CT, abdomen/pelvis — Axial slice 65/87
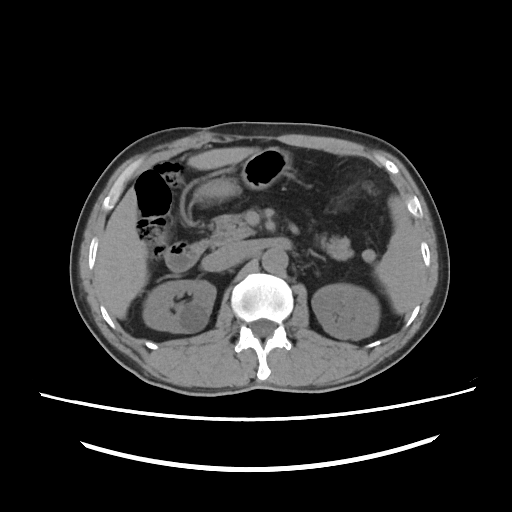

Coordinates as <box>x1,y1,x2,y2</box> in pixels. 10 labeled organs on this slice — spleen at <box>374,195,420,314</box>; right kidney at <box>142,280,215,333</box>; left kidney at <box>314,284,380,340</box>; liver at <box>96,146,252,318</box>; stomach at <box>193,148,290,201</box>; aorta at <box>262,248,286,272</box>; inferior vena cava at <box>209,243,248,270</box>; pancreas at <box>208,213,353,260</box>; left adrenal gland at <box>306,250,325,260</box>; duodenum at <box>166,241,205,271</box>.